CT abdomen; axial view; soft-tissue window (W 400 / L 40); 768x768 px
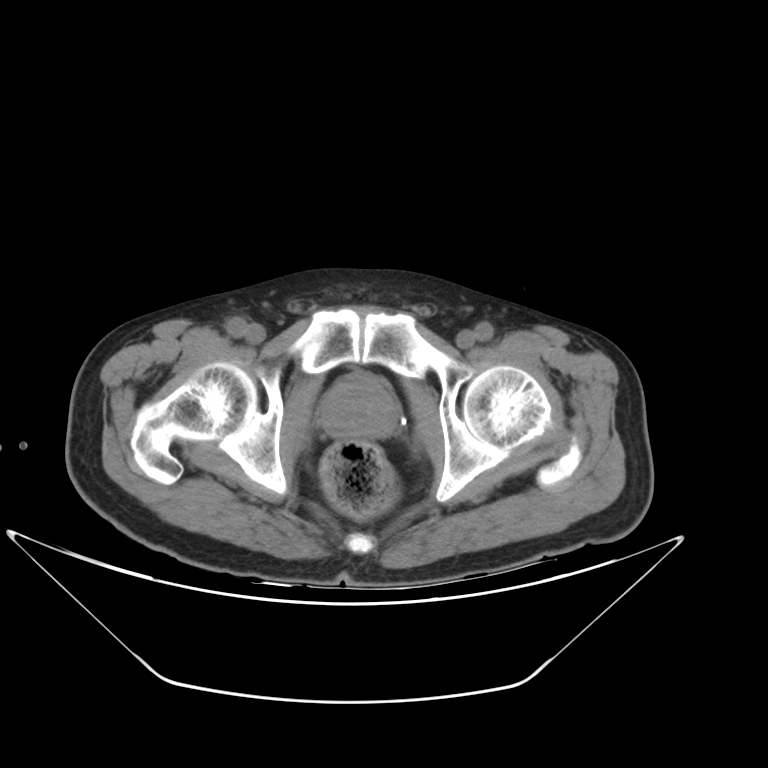

Organ boxes in pixel coordinates; each row gives the top-left (x1, y1) and bottom-right (x2, y2) corners.
| organ | x1 | y1 | x2 | y2 |
|---|---|---|---|---|
| prostate/uterus | 320 | 373 | 398 | 438 |